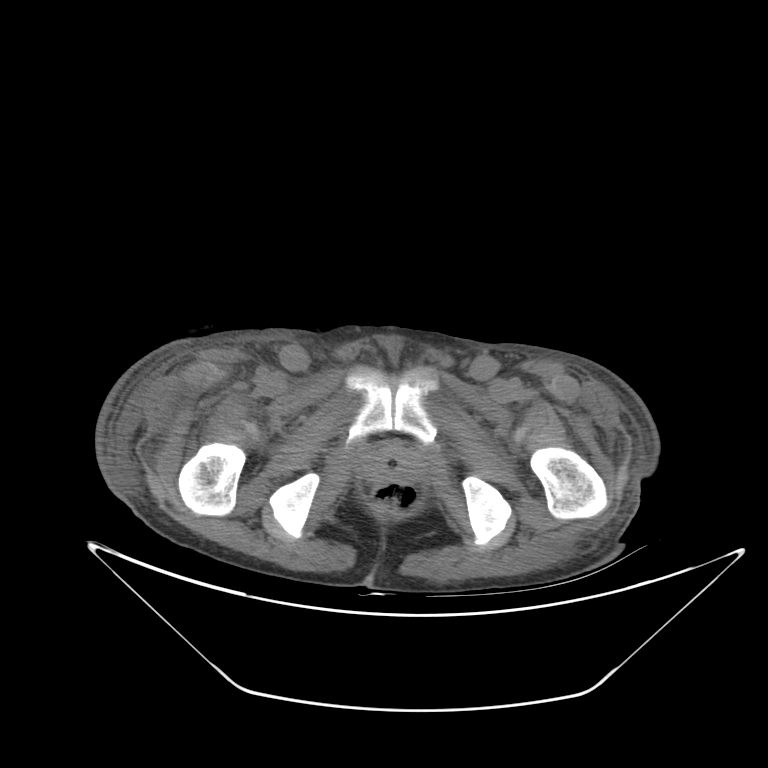
CT abdomen · axial view · W/L 400/40 HU · 768x768 px
{"organs":{"prostate/uterus":[379,448,407,475]}}